Abdominal CT; axial view
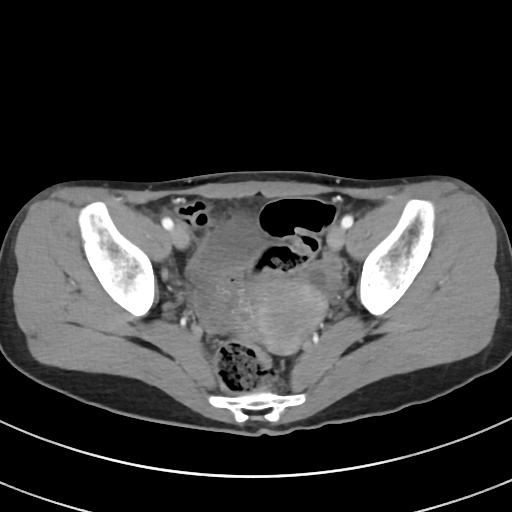 {"organs":{"bladder":[205,217,262,265],"prostate/uterus":[240,278,326,353]}}